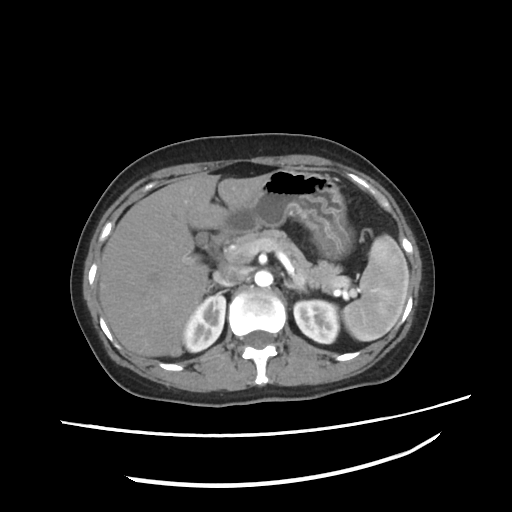
Abdominal CT; Axial slice 62/78; abdomen soft-tissue window; acquired on Aquilion ONE
Each box given as x1,y1,x2,y2.
Organ bounding boxes:
- spleen: x1=341, y1=235, x2=409, y2=341
- right kidney: x1=182, y1=294, x2=225, y2=352
- left kidney: x1=293, y1=300, x2=339, y2=343
- gall bladder: x1=193, y1=231, x2=209, y2=245
- liver: x1=97, y1=173, x2=261, y2=356
- stomach: x1=222, y1=169, x2=351, y2=256
- aorta: x1=254, y1=269, x2=273, y2=287
- inferior vena cava: x1=212, y1=265, x2=248, y2=285
- pancreas: x1=228, y1=227, x2=342, y2=288
- right adrenal gland: x1=206, y1=282, x2=217, y2=291
- left adrenal gland: x1=285, y1=280, x2=306, y2=292
- duodenum: x1=213, y1=232, x2=227, y2=247